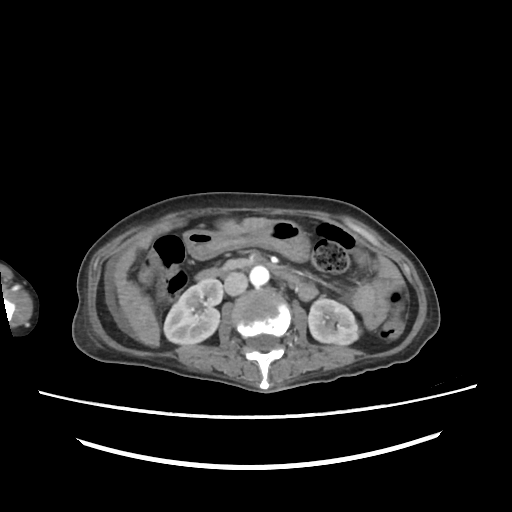 CT, abdomen/pelvis — axial view — 48-year-old female patient — Aquilion ONE scanner
Boxes: x1 y1 x2 y2 (pixel coords, space-separated). Labeled organs on this slice: right kidney at 163 279 222 344, left kidney at 308 298 359 345, liver at 113 217 272 346, stomach at 183 220 309 259, aorta at 250 266 269 286, inferior vena cava at 224 272 247 295, pancreas at 223 258 252 270, duodenum at 195 264 299 284.